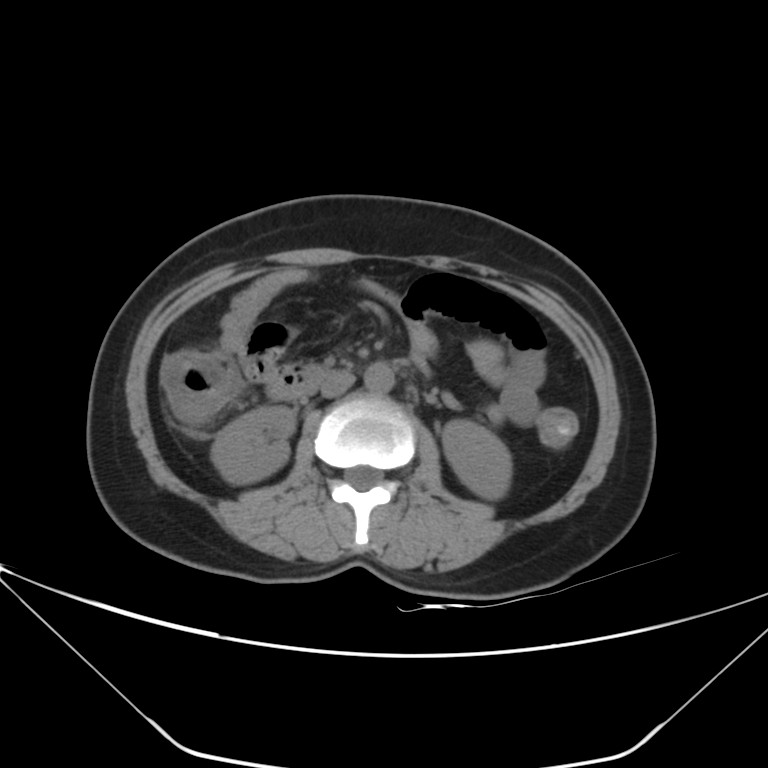
Abdominal CT; Axial slice 50/90; soft-tissue window (W 400 / L 40)
{"organs":{"aorta":[364,362,394,392],"inferior vena cava":[321,371,355,397],"right kidney":[211,406,295,484],"left kidney":[442,419,512,499]}}